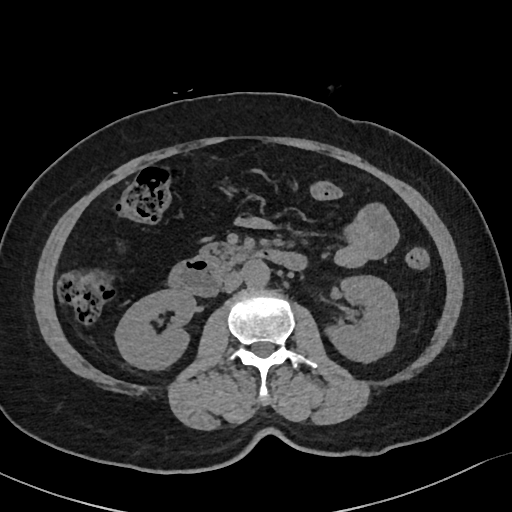 Abdominal CT; axial view; W/L 400/40 HU; 512x512 px
Organ boxes in pixel coordinates; each row gives the top-left (x1, y1) and bottom-right (x2, y2) corners.
| organ | x1 | y1 | x2 | y2 |
|---|---|---|---|---|
| right kidney | 115 | 289 | 195 | 369 |
| left kidney | 326 | 276 | 399 | 362 |
| aorta | 243 | 260 | 270 | 287 |
| inferior vena cava | 223 | 272 | 243 | 292 |
| pancreas | 199 | 242 | 251 | 271 |
| duodenum | 168 | 249 | 307 | 296 |